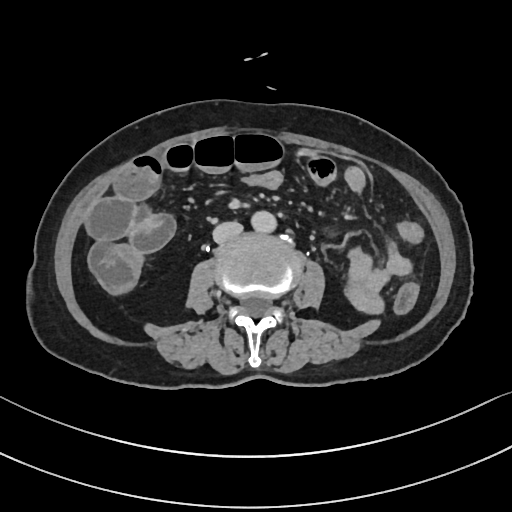 Abdominal CT. Axial slice 111/212
<organs><organ name="aorta" x1="251" y1="211" x2="276" y2="233"/><organ name="inferior vena cava" x1="213" y1="222" x2="243" y2="243"/></organs>